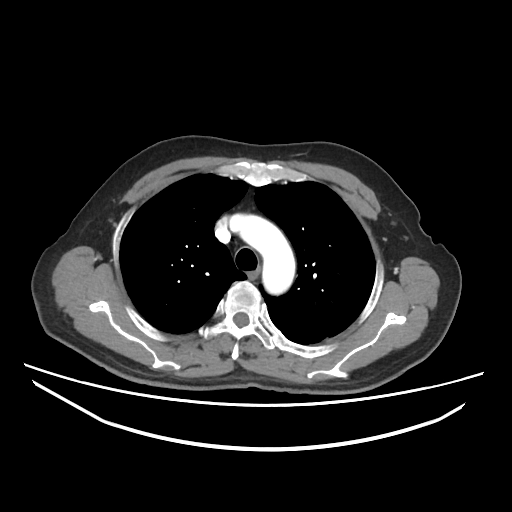

Chest-level CT slice, above the liver and spleen. axial plane, index 111. soft-tissue window. 58-year-old male patient
On a slice this high in the chest, this dataset labels only the esophagus and the aorta, and each is boxed only where it is labeled; the heart, lungs and other chest structures are not labeled.
Coordinates as <box>x1,y1,x2,y2</box> in pixels.
Organ bounding boxes:
- esophagus: <box>246,270,260,279</box>
- aorta: <box>230,214,295,294</box>